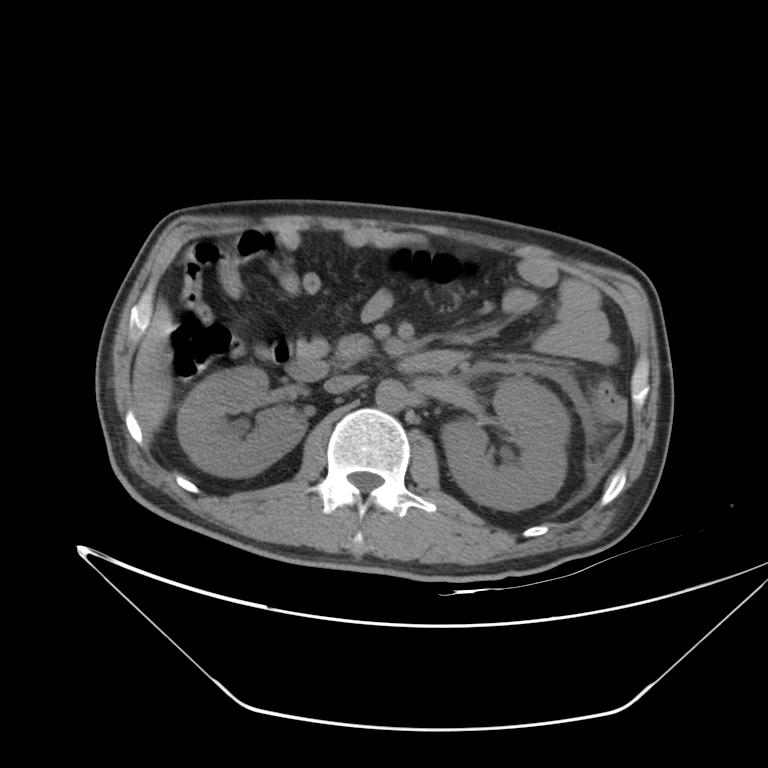 CT, abdomen/pelvis. axial view. soft-tissue window. 768x768 px. acquired on Brilliance16
Box edges are left/top/right/bottom in pixels.
right kidney: left=177, top=366, right=305, bottom=477
left kidney: left=441, top=378, right=570, bottom=511
liver: left=133, top=335, right=165, bottom=431
aorta: left=375, top=379, right=408, bottom=412
inferior vena cava: left=323, top=375, right=362, bottom=393
pancreas: left=338, top=335, right=372, bottom=360
duodenum: left=288, top=351, right=457, bottom=381